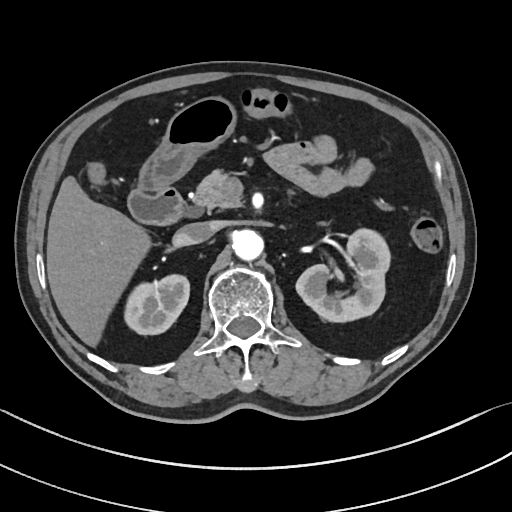 Computed tomography, abdomen; axial view; soft-tissue window (W 400 / L 40); 512x512 px; SOMATOM Force scanner
Box edges are left/top/right/bottom in pixels.
Organ bounding boxes:
- right kidney: left=123, top=274, right=189, bottom=335
- left kidney: left=296, top=229, right=390, bottom=321
- liver: left=46, top=176, right=151, bottom=346
- stomach: left=138, top=97, right=237, bottom=192
- aorta: left=232, top=229, right=263, bottom=260
- inferior vena cava: left=174, top=222, right=216, bottom=245
- pancreas: left=192, top=169, right=241, bottom=211
- duodenum: left=128, top=186, right=186, bottom=224